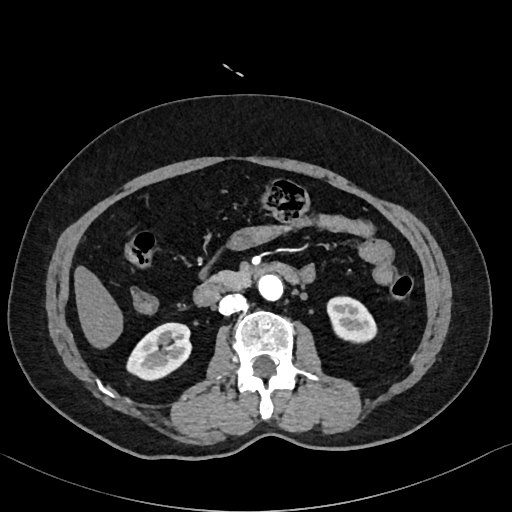
CT, abdomen/pelvis; axial plane, index 128; 512x512 px
One row per box, in pixels: columns x1 and y1 give the top-left corner, x2 and y2 the bottom-right.
| organ | x1 | y1 | x2 | y2 |
|---|---|---|---|---|
| liver | 74 | 266 | 122 | 348 |
| inferior vena cava | 218 | 294 | 245 | 314 |
| aorta | 258 | 275 | 283 | 300 |
| left kidney | 327 | 297 | 376 | 342 |
| right kidney | 127 | 322 | 190 | 380 |
| pancreas | 212 | 271 | 252 | 288 |
| duodenum | 193 | 262 | 298 | 305 |